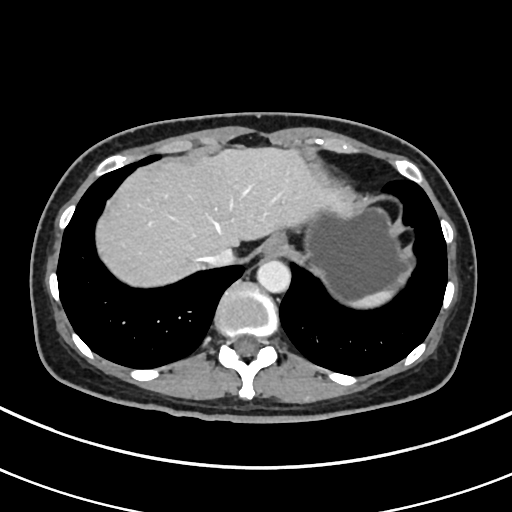

Computed tomography, abdomen. axial view
{"organs":{"spleen":[345,288,391,308],"esophagus":[262,232,286,257],"liver":[95,149,351,287],"stomach":[305,205,410,301],"aorta":[256,258,290,292],"inferior vena cava":[205,248,234,267]}}